CT of the abdomen reaching into the lower chest, slice just above the liver and spleen — axial view — soft-tissue window, W/L 400/40 — 768x768 px — 68-year-old male patient — 13 organs annotated in this scan (a whole-scan count: organs this slice does not pass through have no box)
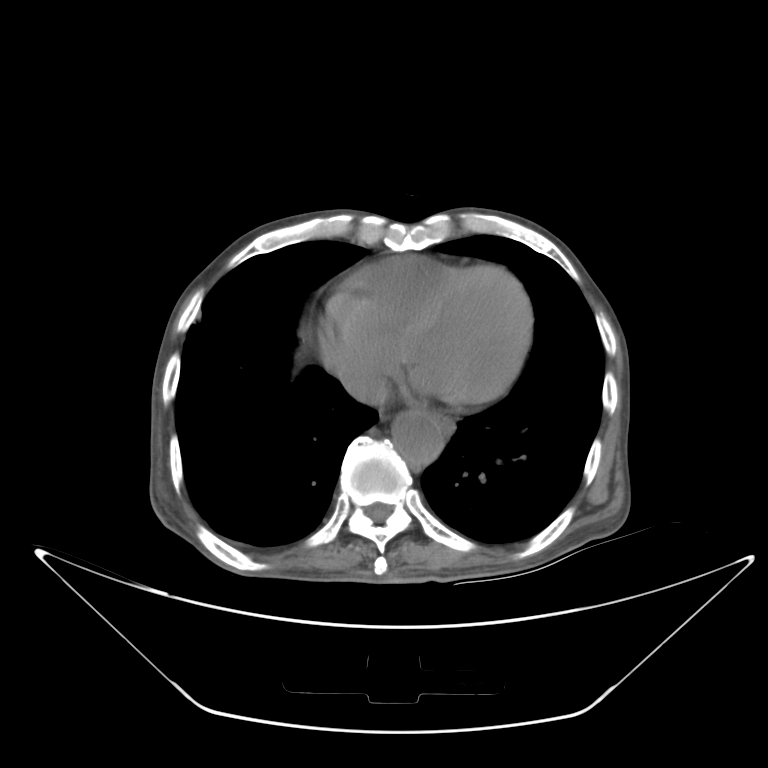

Of the structures in the chest, this dataset labels only the esophagus, the aorta and the inferior vena cava; the heart and lungs have no label.
{"organs":{"esophagus":[432,411,458,438],"aorta":[392,410,442,461],"inferior vena cava":[341,369,387,406]}}